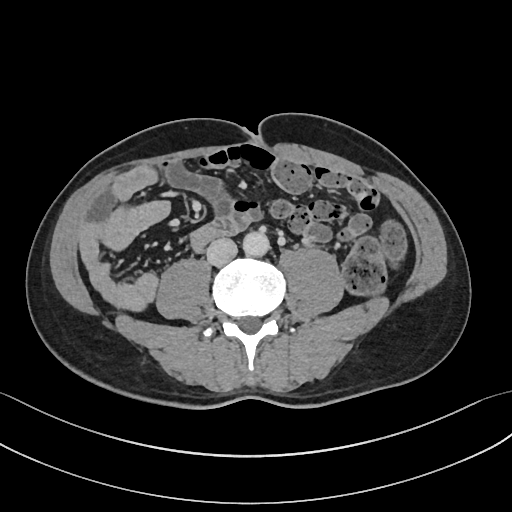 CT, abdomen/pelvis; axial view; W/L 400/40 HU
<organs><organ name="aorta" x1="243" y1="231" x2="269" y2="256"/><organ name="inferior vena cava" x1="206" y1="238" x2="237" y2="266"/></organs>